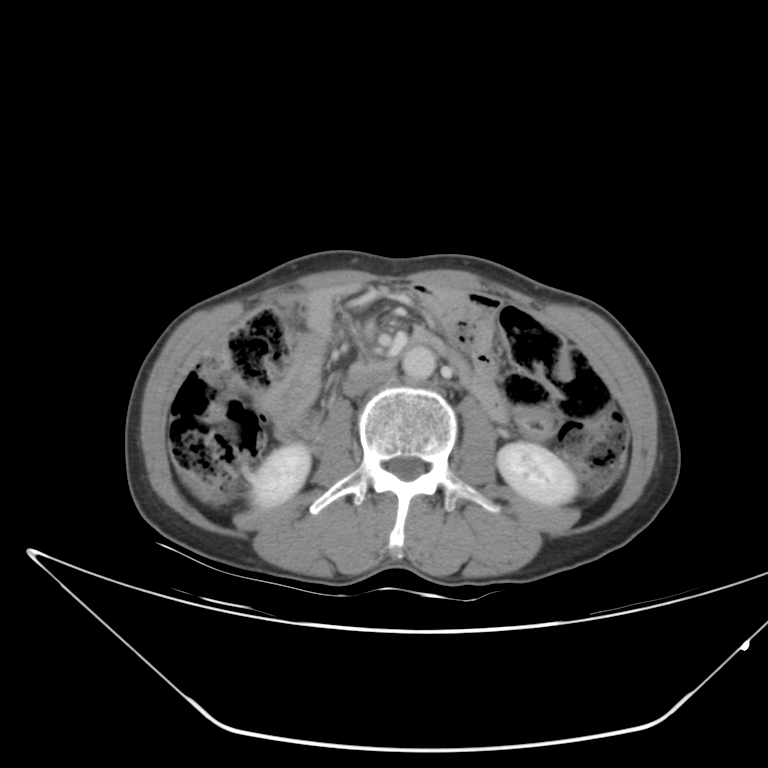

Computed tomography, abdomen — axial view
<organs><organ name="right kidney" x1="250" y1="444" x2="311" y2="508"/><organ name="left kidney" x1="498" y1="441" x2="575" y2="505"/><organ name="aorta" x1="401" y1="344" x2="435" y2="381"/><organ name="inferior vena cava" x1="344" y1="370" x2="396" y2="399"/><organ name="duodenum" x1="275" y1="356" x2="398" y2="448"/></organs>